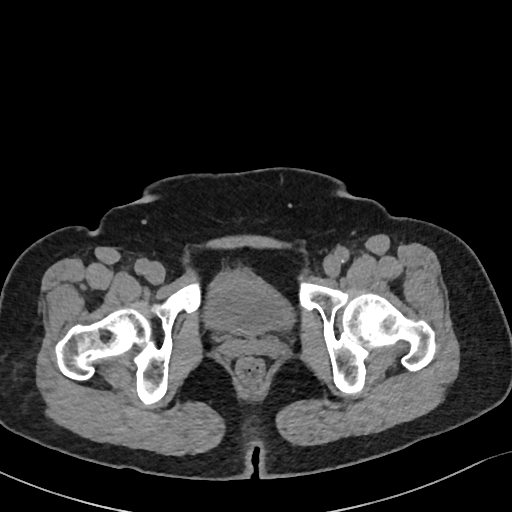 CT abdomen; axial view
Coordinates as <box>x1,y1,x2,y2</box> in pixels. The annotated organs in this slice are: bladder at <box>204,270,293,333</box>.